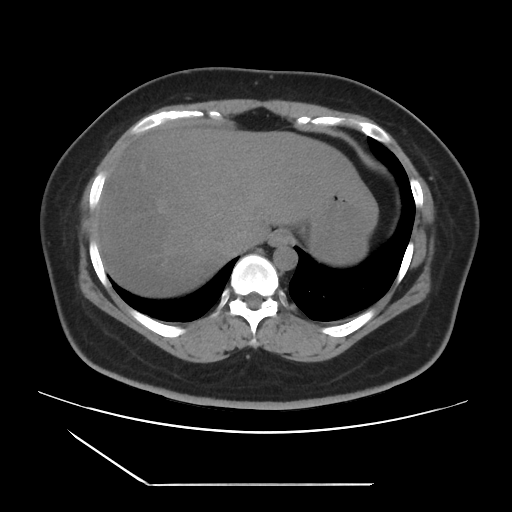

Computed tomography, abdomen — axial plane, index 76 — soft-tissue window — 512x512 px — scan has 15 labeled organs (a whole-scan count: organs this slice does not pass through have no box)
{"organs":{"esophagus":[269,230,290,246],"liver":[96,126,372,297],"stomach":[307,192,377,265],"aorta":[273,245,297,270],"inferior vena cava":[227,233,248,252]}}